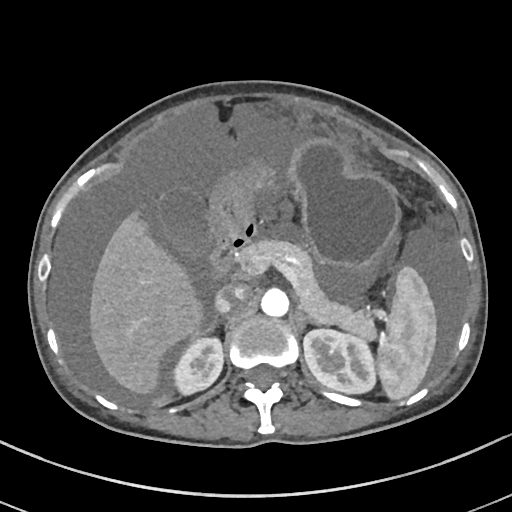
Abdominal CT — Axial slice 164/237 — 15 organs annotated in this scan (a whole-scan count: organs this slice does not pass through have no box)
{"organs":{"spleen":[377,266,436,399],"right kidney":[170,337,223,394],"left kidney":[303,329,375,393],"gall bladder":[161,192,207,253],"liver":[89,211,203,394],"stomach":[207,139,399,268],"aorta":[260,288,288,316],"inferior vena cava":[215,286,246,313],"pancreas":[236,239,376,339],"right adrenal gland":[205,317,222,332],"left adrenal gland":[294,308,316,328],"duodenum":[210,229,254,279]}}